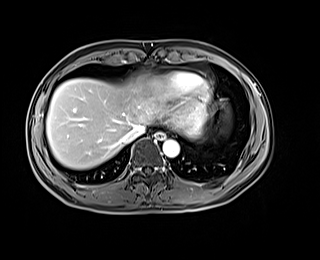
MRI, abdomen · axial view · Prisma scanner
Boxes are (x1, y1, x2, y2) in pixels. Labeled organs on this slice: esophagus at (154, 132, 165, 139), liver at (46, 75, 205, 169), aorta at (163, 139, 179, 157), inferior vena cava at (122, 125, 145, 143).